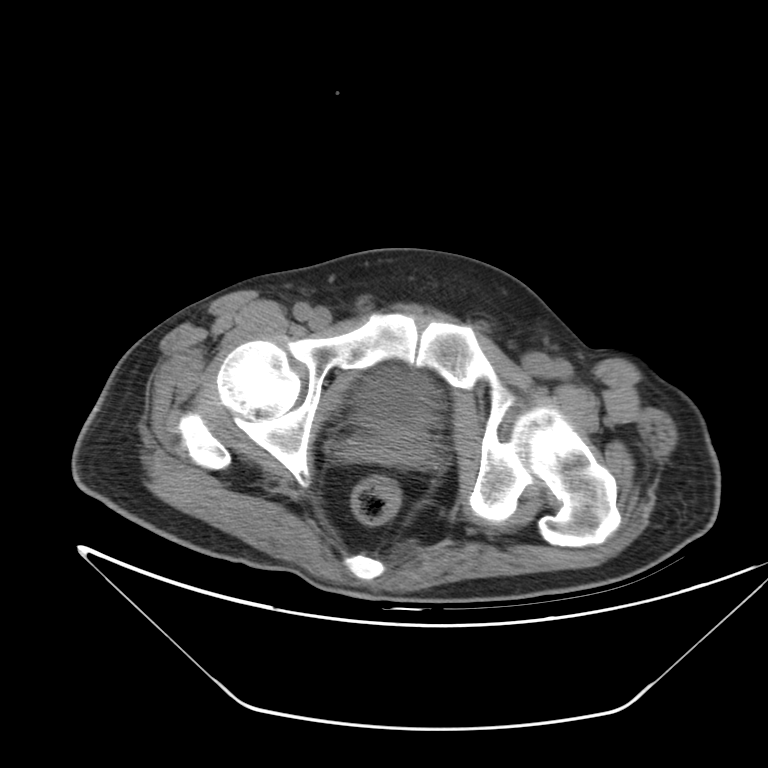

Abdominal CT; Axial slice 20/107; soft-tissue window; 768x768 px; scan has 15 labeled organs (that count is for the whole scan; organs this slice misses have no box)
<organs><organ name="bladder" x1="358" y1="371" x2="436" y2="427"/><organ name="prostate/uterus" x1="373" y1="425" x2="427" y2="461"/></organs>